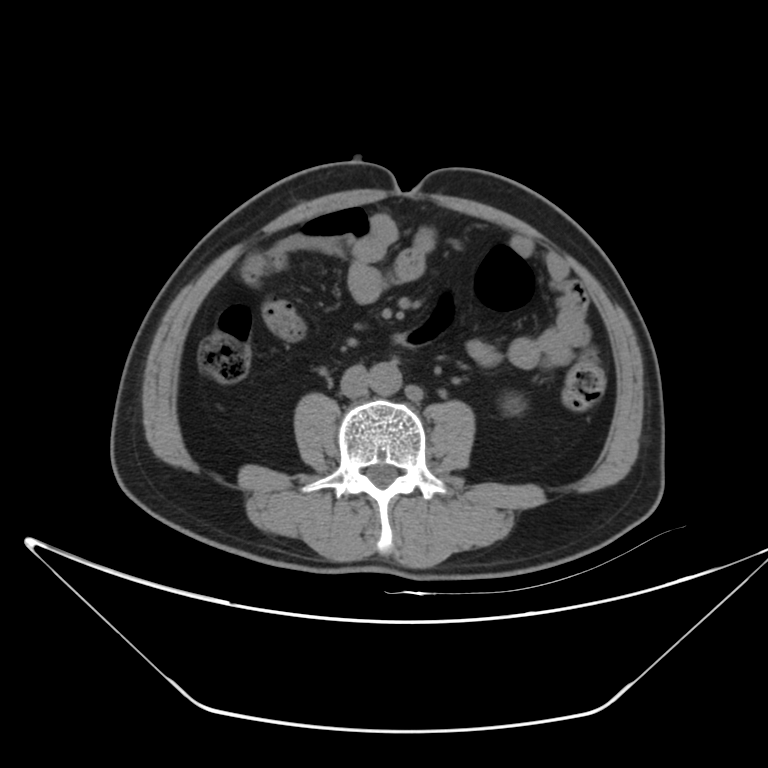 Abdominal CT. Axial slice 48/93. 768x768 px
Organ boxes in pixel coordinates; each row gives the top-left (x1, y1) and bottom-right (x2, y2) corners.
| organ | x1 | y1 | x2 | y2 |
|---|---|---|---|---|
| left kidney | 503 | 395 | 523 | 413 |
| aorta | 368 | 361 | 401 | 396 |
| inferior vena cava | 340 | 366 | 367 | 397 |